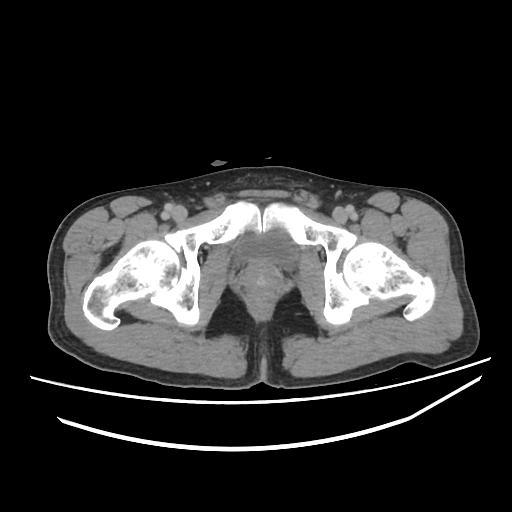
CT abdomen — axial view — scan has 15 labeled organs (that count is for the whole scan; organs this slice misses have no box)
<organs><organ name="bladder" x1="237" y1="227" x2="300" y2="271"/><organ name="prostate/uterus" x1="243" y1="262" x2="282" y2="300"/></organs>